Abdominal MRI · axial view · 1st–99th percentile window
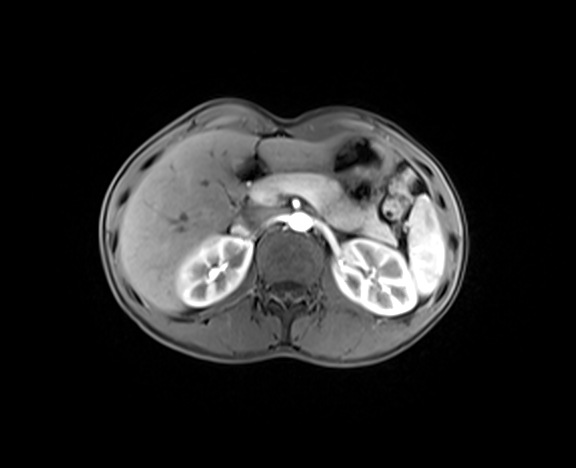
{"organs":{"spleen":[407,195,445,294],"right kidney":[176,235,252,306],"left kidney":[333,240,416,314],"liver":[118,130,341,312],"stomach":[282,136,389,180],"aorta":[288,213,311,232],"inferior vena cava":[237,206,273,229],"pancreas":[253,172,396,244],"duodenum":[231,154,270,206]}}